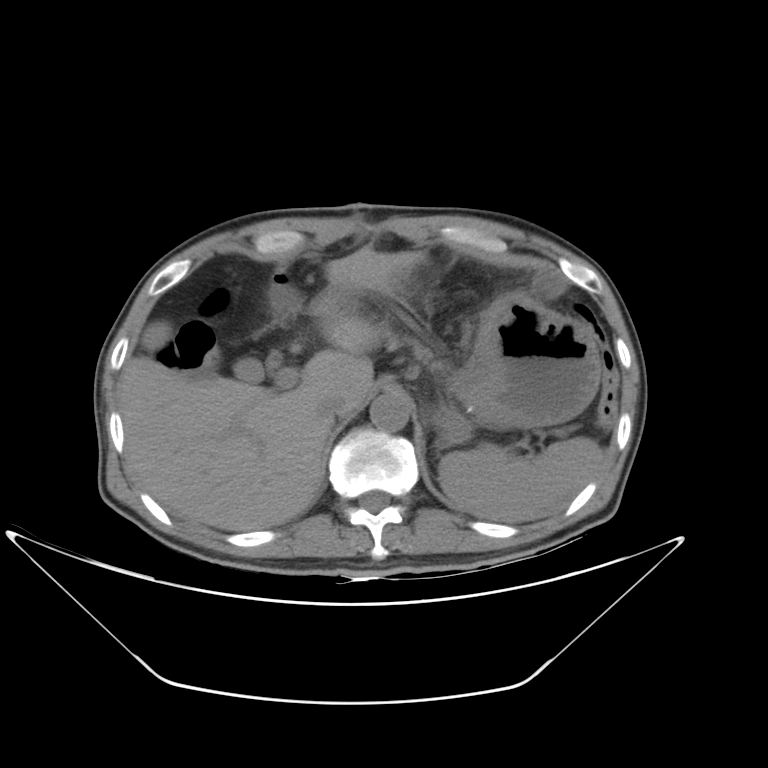

CT abdomen; Axial slice 79/104; soft-tissue window (W 400 / L 40); 65-year-old male patient
<organs><organ name="inferior vena cava" x1="317" y1="395" x2="347" y2="419"/><organ name="gall bladder" x1="142" y1="322" x2="263" y2="382"/><organ name="stomach" x1="426" y1="295" x2="600" y2="445"/><organ name="aorta" x1="370" y1="392" x2="410" y2="431"/><organ name="liver" x1="118" y1="248" x2="424" y2="530"/><organ name="pancreas" x1="413" y1="345" x2="438" y2="369"/><organ name="spleen" x1="439" y1="436" x2="604" y2="523"/></organs>